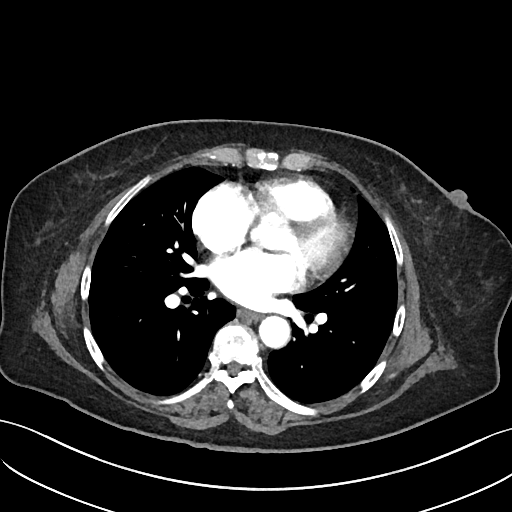 Lower-chest slice from an abdominal CT, just above the liver and spleen. axial view
Of the structures in the chest, this dataset labels only the esophagus, the aorta and the inferior vena cava; the heart and lungs have no label.
<organs><organ name="esophagus" x1="238" y1="309" x2="260" y2="319"/><organ name="aorta" x1="259" y1="315" x2="290" y2="347"/></organs>